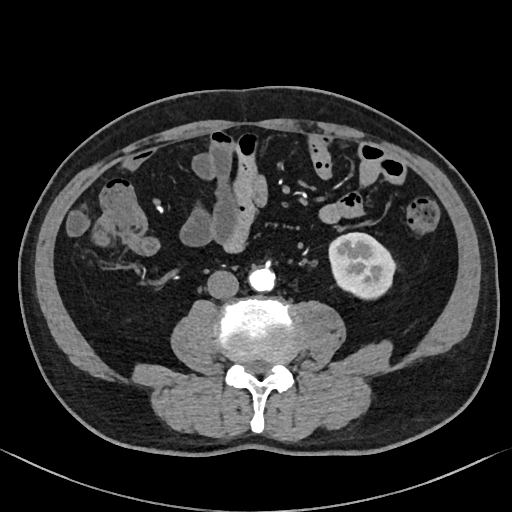 Computed tomography, abdomen. axial view. soft-tissue window (W 400 / L 40)
Boxes: x1:y1:x2:y2 in pixels.
Organ bounding boxes:
- aorta: 250:267:275:292
- left kidney: 328:233:396:299
- inferior vena cava: 207:270:239:299